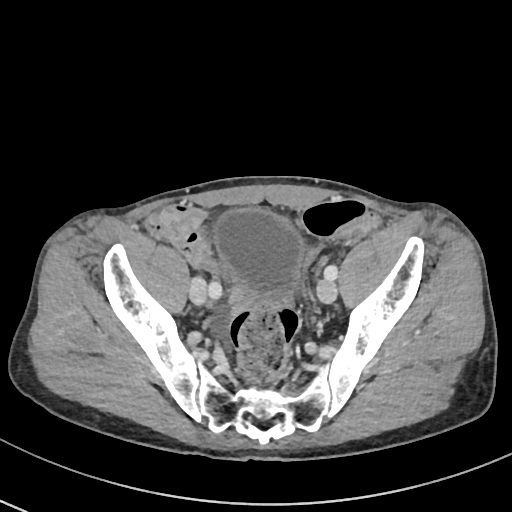

CT, abdomen/pelvis — axial view — SOMATOM Force scanner
Boxes: x1 y1 x2 y2 (pixel coords, space-separated). 1 labeled organ on this slice — bladder at 211 209 302 299.